Chest-level CT slice, above the liver and spleen · axial view · soft-tissue window (W 400 / L 40) · 512x512 px · SOMATOM Force scanner
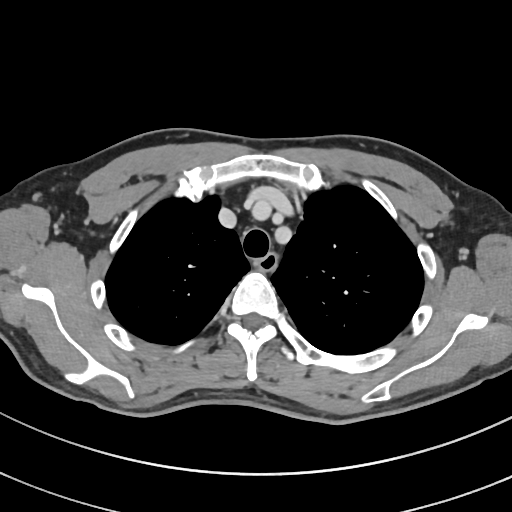 On a slice this high in the chest, this dataset labels only the esophagus and the aorta, and each is boxed only where it is labeled; the heart, lungs and other chest structures are not labeled.
{"organs":{"esophagus":[257,252,277,269]}}